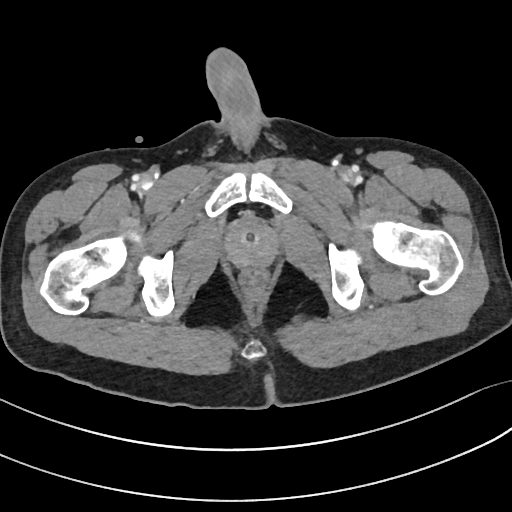

CT, abdomen/pelvis — axial plane, index 11 — 512x512 px — SOMATOM Force scanner
Coordinates as <box>x1,y1,x2,y2</box> in pixels. 1 labeled organ on this slice — prostate/uterus at <box>226,223,276,266</box>.